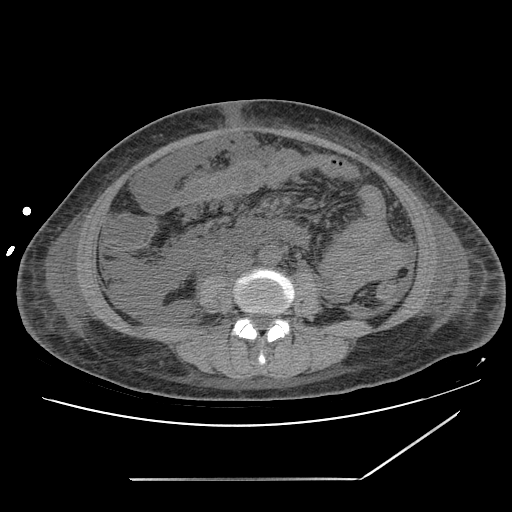

Abdominal CT · axial view · soft-tissue window · 512x512 px · scan has 15 labeled organs (counted over the whole 3D scan, not this slice; an organ is boxed only where this slice passes through it)
Organ boxes in pixel coordinates; each row gives the top-left (x1, y1) and bottom-right (x2, y2) corners.
| organ | x1 | y1 | x2 | y2 |
|---|---|---|---|---|
| aorta | 258 | 247 | 280 | 264 |
| inferior vena cava | 227 | 254 | 253 | 274 |